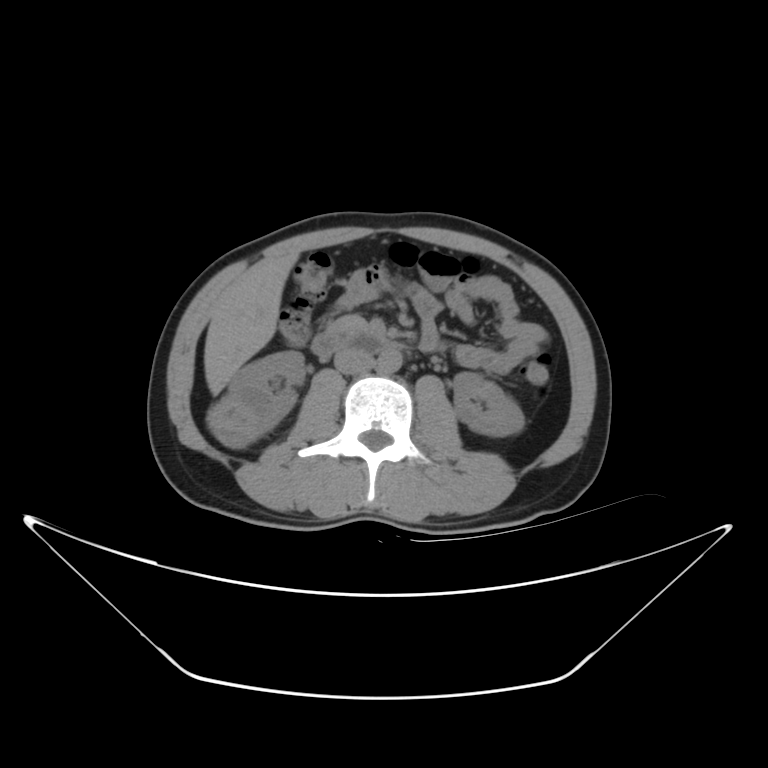

CT, abdomen/pelvis — axial view — abdomen soft-tissue window — 768x768 px — scan has 15 labeled organs (a whole-scan count: organs this slice does not pass through have no box)
Boxes: x1:y1:x2:y2 in pixels.
right kidney: 208:351:305:447
left kidney: 454:370:522:436
liver: 203:252:299:393
aorta: 380:349:403:372
inferior vena cava: 333:345:372:373
pancreas: 327:314:369:333
duodenum: 310:331:393:353